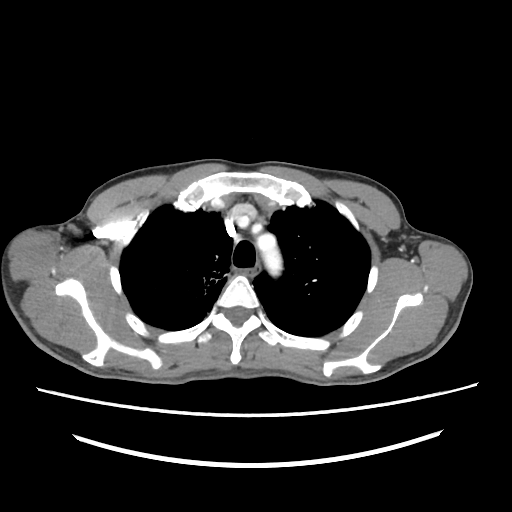 Chest-level slice from an abdominal CT that extends up into the chest · Axial slice 78/90 · 51-year-old male patient
At this level of the chest this dataset labels only the esophagus and the aorta, and each is boxed only where it is labeled; the heart and lungs are never labeled.
Coordinates as <box>x1,y1,x2,y2</box> in pixels.
aorta: <box>257,233,282,274</box>